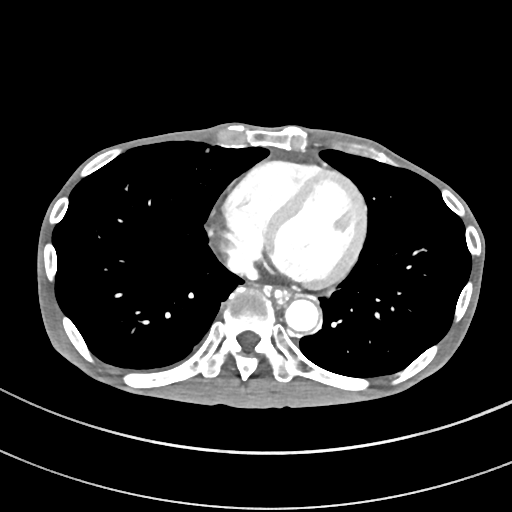
Lower-chest slice from an abdominal CT, just above the liver and spleen · axial plane, index 215 · soft-tissue window (W 400 / L 40) · 512x512 px
Of the structures in the chest, this dataset labels only the esophagus, the aorta and the inferior vena cava; the heart and lungs have no label. Boxes are (x1, y1, x2, y2) in pixels. 3 labeled organs on this slice — esophagus at (274, 289, 290, 303); aorta at (285, 299, 319, 331); inferior vena cava at (229, 254, 256, 277).